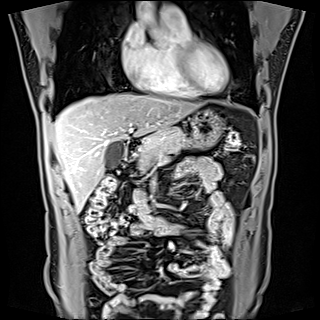 MRI, abdomen — coronal plane, index 43 — percentile-normalized — scan has 13 labeled organs (a whole-scan count: organs this slice does not pass through have no box)
{"organs":{"gall bladder":[105,141,124,170],"stomach":[191,110,223,147],"duodenum":[125,138,142,160],"liver":[53,93,197,211],"pancreas":[138,127,187,170]}}